Abdominal CT — axial view — soft-tissue window
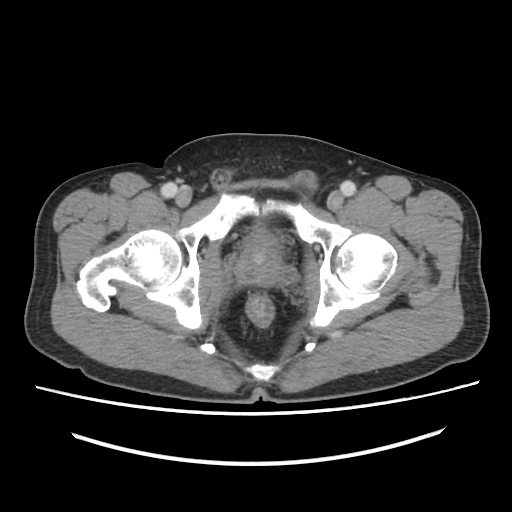 Boxes: x1:y1:x2:y2 in pixels.
bladder: 250:232:274:246
prostate/uterus: 237:243:279:281